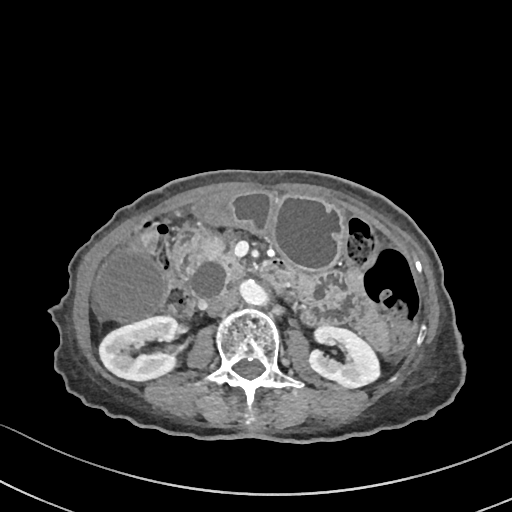

Computed tomography, abdomen — axial view — abdomen soft-tissue window
Bounding boxes in pixels, one row per box: x1, y1 is the top-left corner and x2, y2 the bottom-right.
| organ | x1 | y1 | x2 | y2 |
|---|---|---|---|---|
| right kidney | 99 | 316 | 177 | 380 |
| left kidney | 309 | 324 | 378 | 387 |
| gall bladder | 96 | 252 | 165 | 322 |
| stomach | 194 | 190 | 344 | 270 |
| aorta | 238 | 279 | 263 | 303 |
| inferior vena cava | 207 | 290 | 237 | 314 |
| pancreas | 199 | 234 | 242 | 277 |
| duodenum | 174 | 229 | 292 | 293 |